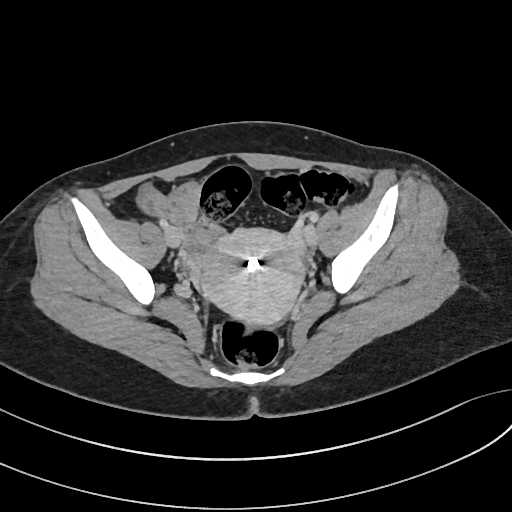

Computed tomography, abdomen; Axial slice 59/219; soft-tissue window
Coordinates as <box>x1,y1,x2,y2</box> in pixels.
prostate/uterus: <box>199,228,304,324</box>